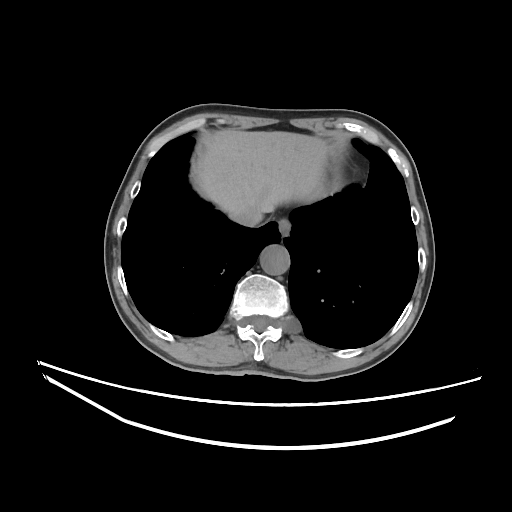 Abdominal CT · Axial slice 84/89 · soft-tissue window (W 400 / L 40) · 15 organs annotated in this scan (counted over the whole 3D scan, not this slice; an organ is boxed only where this slice passes through it)
Bounding boxes as [x1, y1, x2, y2] in pixel coordinates.
esophagus: [278, 219, 290, 235]
liver: [196, 130, 327, 218]
aorta: [260, 245, 289, 275]
inferior vena cava: [233, 205, 264, 226]